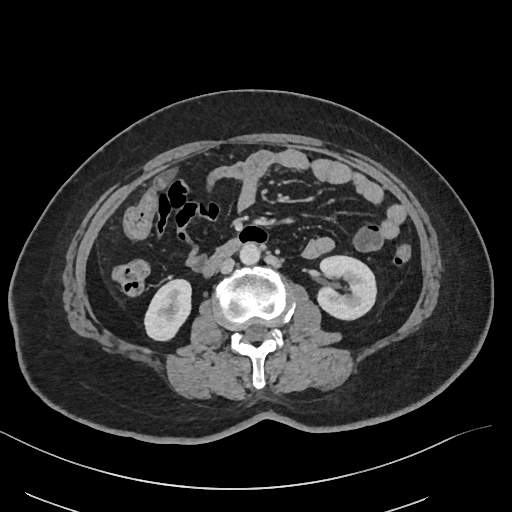
Computed tomography, abdomen — axial plane, index 139 — soft-tissue window (W 400 / L 40) — 512x512 px
Boxes: x1:y1:x2:y2 in pixels. Labeled organs on this slice: right kidney at 144:279:191:340, left kidney at 318:255:376:320, aorta at 239:244:260:266, inferior vena cava at 220:258:234:273, duodenum at 201:237:242:276.